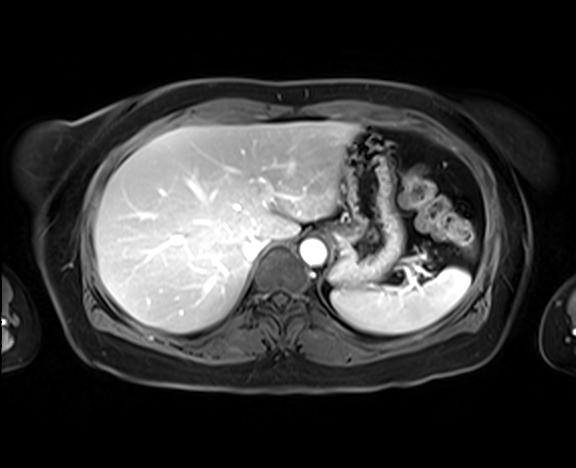 MRI, abdomen. axial view
Bounding boxes in pixels, one row per box: x1, y1 is the top-left corner and x2, y2 the bottom-right.
| organ | x1 | y1 | x2 | y2 |
|---|---|---|---|---|
| stomach | 329 | 130 | 404 | 286 |
| inferior vena cava | 243 | 237 | 269 | 261 |
| aorta | 299 | 239 | 326 | 266 |
| spleen | 331 | 267 | 470 | 333 |
| liver | 94 | 122 | 359 | 333 |